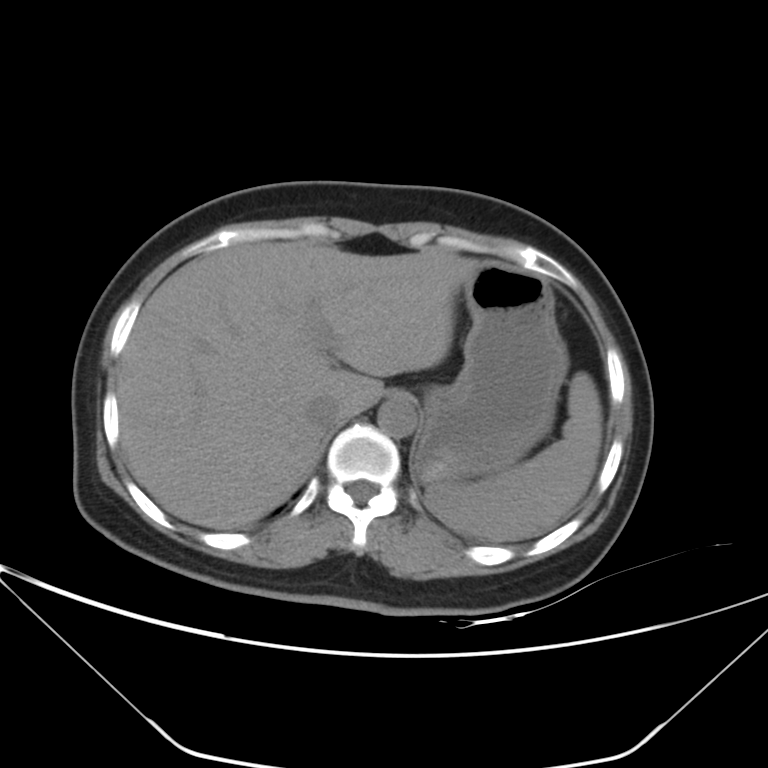 CT, abdomen/pelvis; axial plane, index 72
One row per box, in pixels: columns x1 and y1 give the top-left corner, x2 and y2 the bottom-right.
| organ | x1 | y1 | x2 | y2 |
|---|---|---|---|---|
| spleen | 425 | 371 | 602 | 540 |
| liver | 116 | 242 | 479 | 528 |
| stomach | 414 | 261 | 569 | 484 |
| aorta | 378 | 398 | 416 | 437 |
| inferior vena cava | 307 | 395 | 342 | 429 |